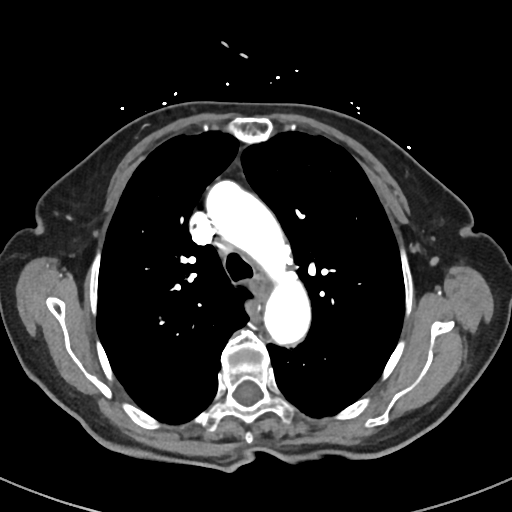 CT of the abdomen extending into the chest, slice through the chest · axial view · soft-tissue window, W/L 400/40
At this level of the chest this dataset labels only the esophagus and the aorta, and each is boxed only where it is labeled; the heart and lungs are never labeled.
One row per box, in pixels: columns x1 and y1 give the top-left corner, x2 and y2 the bottom-right.
| organ | x1 | y1 | x2 | y2 |
|---|---|---|---|---|
| esophagus | 253 | 276 | 268 | 300 |
| aorta | 204 | 181 | 311 | 348 |